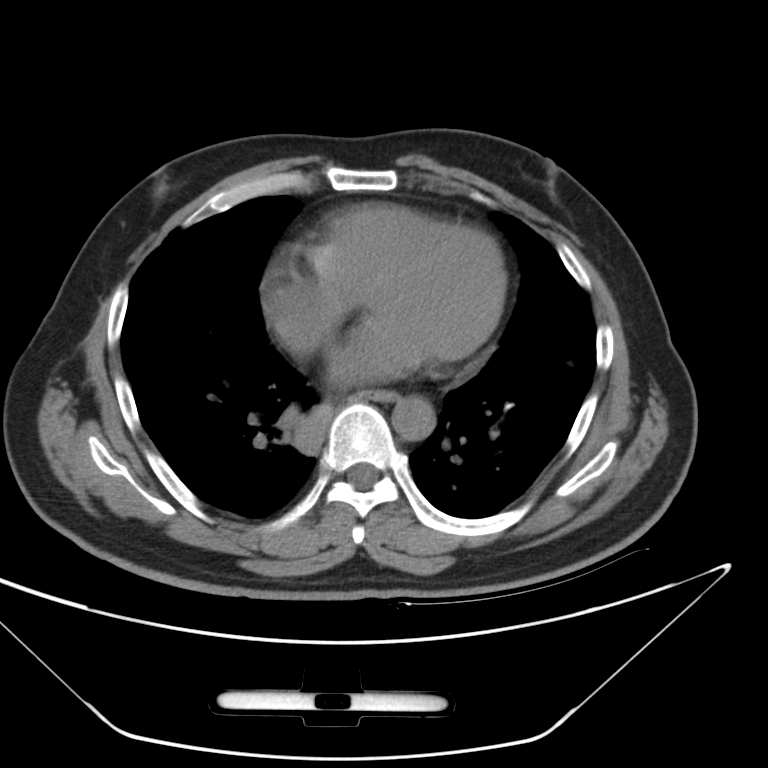
Lower-chest slice from an abdominal CT, just above the liver and spleen; axial view; acquired on Brilliance16
No part of the heart or lungs is labeled in this dataset, so neither has a box here.
Each box given as x1,y1,x2,y2.
Organ bounding boxes:
- aorta: x1=392, y1=396, x2=437, y2=441
- esophagus: x1=349, y1=387, x2=398, y2=401